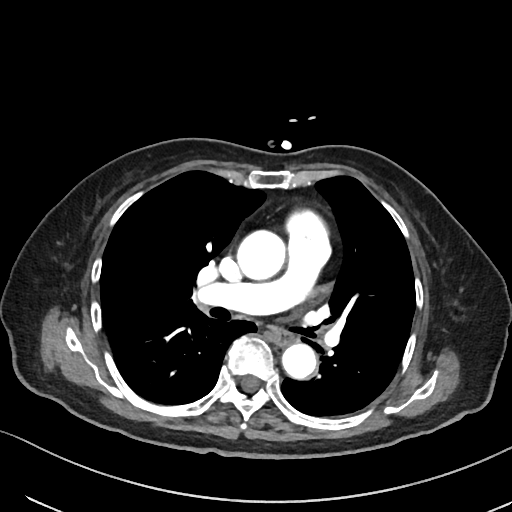
Chest-level CT slice, above the liver and spleen. axial view. soft-tissue window. 15 organs annotated in this scan (counted over the whole 3D scan, not this slice; an organ is boxed only where this slice passes through it)
At this level of the chest this dataset labels only the esophagus and the aorta, and each is boxed only where it is labeled; the heart and lungs are never labeled.
Bounding boxes as [x1, y1, x2, y2] in pixel coordinates.
aorta: [236, 230, 285, 280]
aorta: [281, 343, 316, 379]
esophagus: [271, 327, 294, 345]